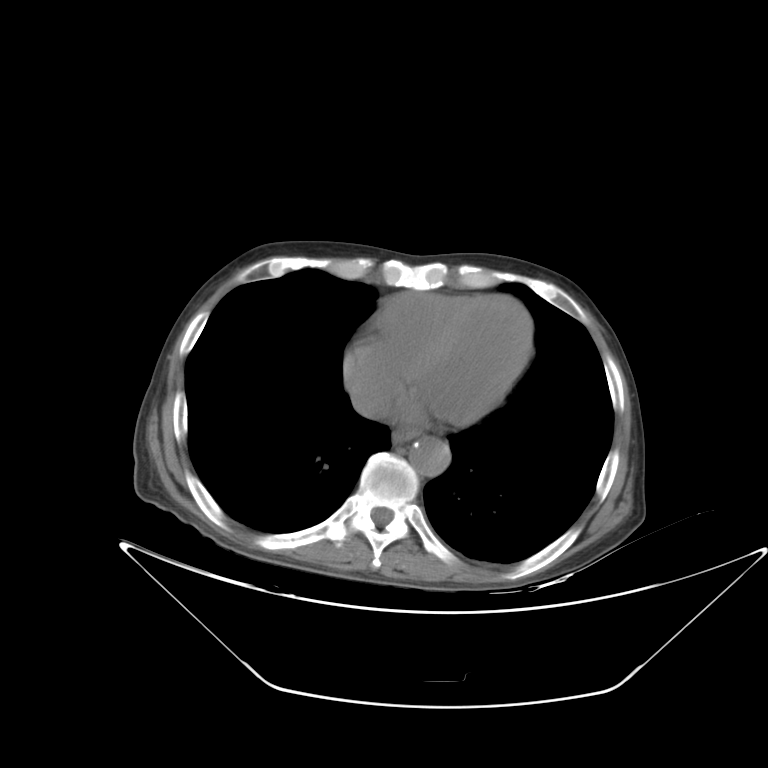 Lower-chest slice from an abdominal CT, just above the liver and spleen; axial view; scan has 14 labeled organs (that count is for the whole scan; organs this slice misses have no box)
No part of the heart or lungs is labeled in this dataset, so neither has a box here. Boxes are (x1, y1, x2, y2) in pixels. 3 labeled organs on this slice — esophagus at (392, 429, 416, 444); aorta at (409, 436, 450, 476); inferior vena cava at (351, 389, 388, 418).